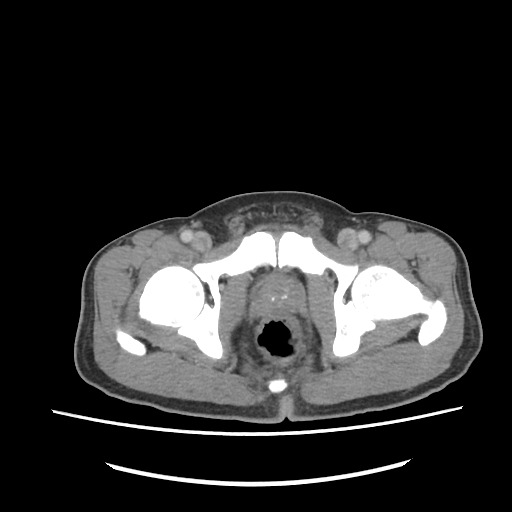
CT, abdomen/pelvis; axial view; 54-year-old male patient; Aquilion ONE scanner; scan has 15 labeled organs (a whole-scan count: organs this slice does not pass through have no box)
{"organs":{"prostate/uterus":[254,277,303,316]}}